CT, abdomen/pelvis — axial view — 512x512 px — acquired on SOMATOM Force
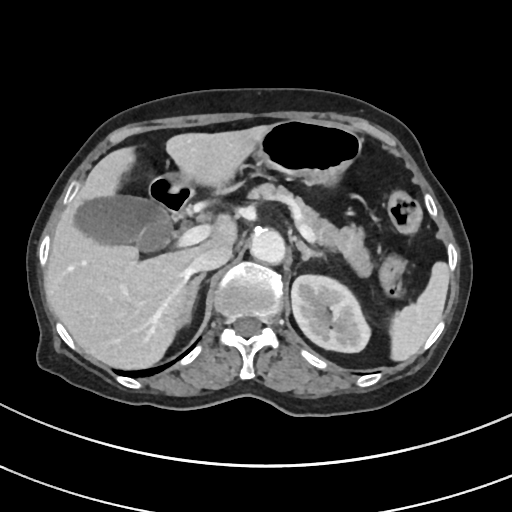
Boxes are (x1, y1, x2, y2) in pixels. Labeled organs on this slice: pancreas at (248, 182, 372, 277), inferior vena cava at (188, 247, 230, 271), spleen at (390, 261, 449, 361), liver at (44, 125, 269, 369), right adrenal gland at (180, 273, 205, 325), left adrenal gland at (296, 239, 324, 260), left kidney at (291, 275, 370, 352), gall bladder at (76, 195, 174, 251), stomach at (164, 120, 361, 186), aorta at (250, 229, 285, 264), duodenum at (149, 177, 193, 218).